Abdominal CT; this slice is in the lower chest, just above the liver — axial view — soft-tissue window (W 400 / L 40) — 512x512 px — 15 organs annotated in this scan (a whole-scan count: organs this slice does not pass through have no box)
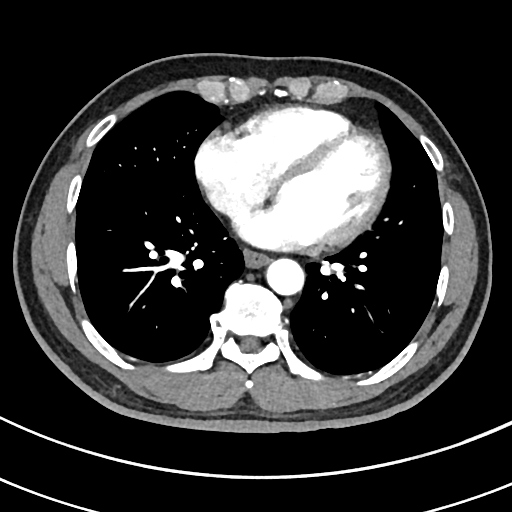 Of the structures in the chest, this dataset labels only the esophagus, the aorta and the inferior vena cava; the heart and lungs have no label.
Coordinates as <box>x1,y1,x2,y2</box> in pixels.
esophagus: <box>244,250,269,267</box>
aorta: <box>266,258,304,295</box>